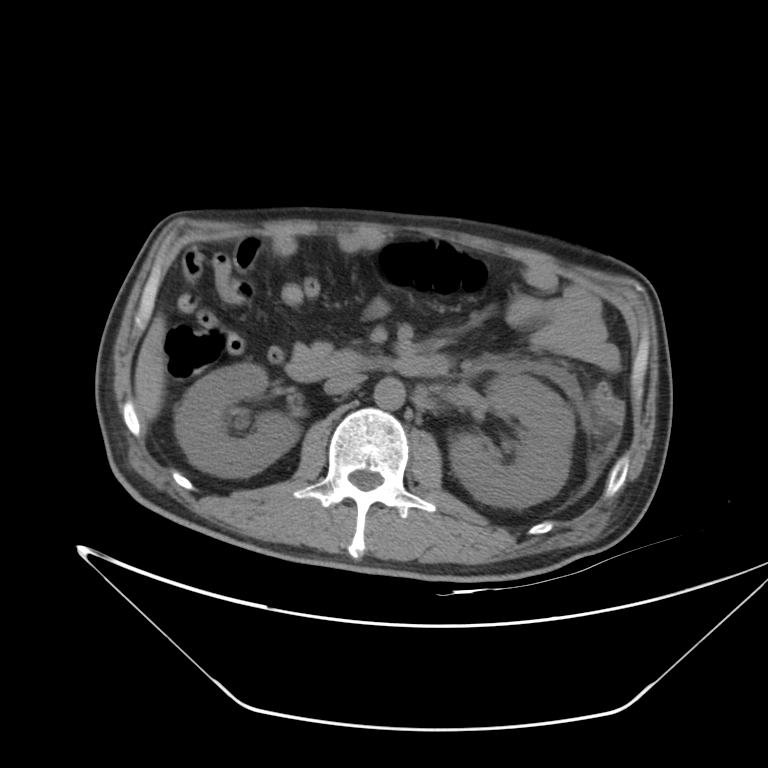 Computed tomography, abdomen · axial plane, index 65 · W/L 400/40 HU
<organs><organ name="right kidney" x1="176" y1="363" x2="299" y2="476"/><organ name="left kidney" x1="449" y1="375" x2="574" y2="507"/><organ name="liver" x1="135" y1="338" x2="163" y2="419"/><organ name="aorta" x1="374" y1="377" x2="405" y2="409"/><organ name="inferior vena cava" x1="324" y1="374" x2="364" y2="394"/><organ name="duodenum" x1="285" y1="351" x2="452" y2="381"/></organs>